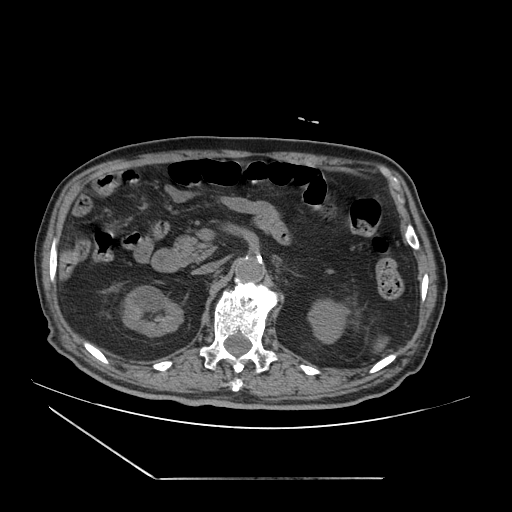 Computed tomography, abdomen. axial view
Boxes: x1 y1 x2 y2 (pixel coords, space-separated).
Organ bounding boxes:
- spleen: 373 336 388 352
- aorta: 234 257 265 281
- inferior vena cava: 193 261 220 274
- right kidney: 123 285 182 336
- duodenum: 151 249 180 272
- pancreas: 173 235 215 265
- left kidney: 308 299 349 343